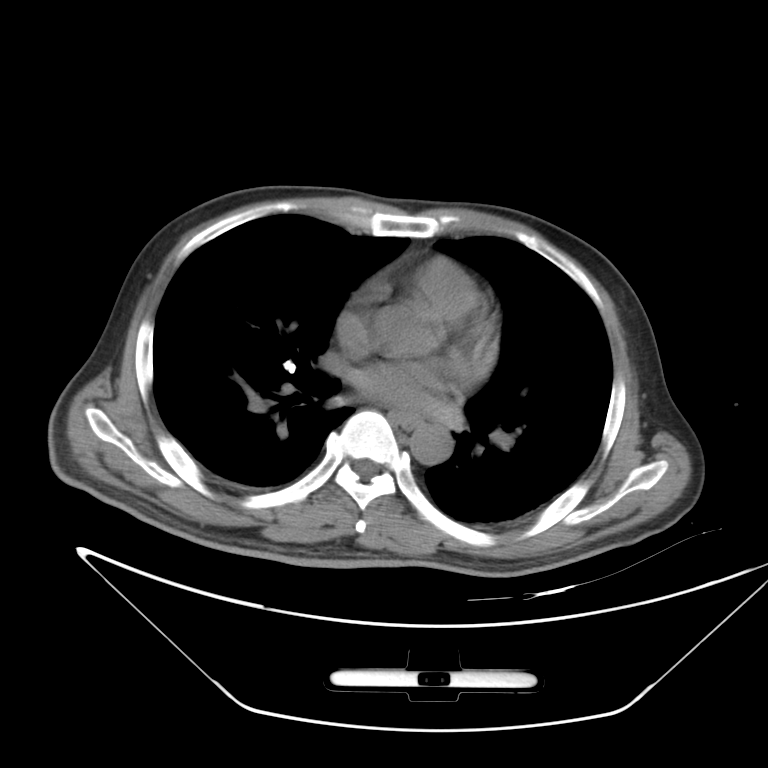 CT of the abdomen reaching into the lower chest, slice just above the liver and spleen · axial view · soft-tissue window, W/L 400/40 · 47-year-old male patient
The heart and lungs are never labeled in this dataset, so they have no box on this slice.
Each box given as x1,y1,x2,y2.
Organ bounding boxes:
- esophagus: x1=389, y1=412, x2=423, y2=430
- aorta: x1=410, y1=424, x2=452, y2=464